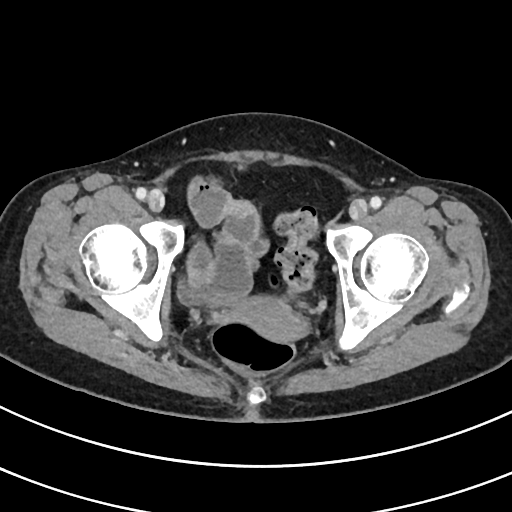

CT, abdomen/pelvis — axial view — W/L 400/40 HU — SOMATOM Force scanner — scan has 15 labeled organs (a whole-scan count: organs this slice does not pass through have no box)
Organ boxes in pixel coordinates; each row gives the top-left (x1, y1) and bottom-right (x2, y2) corners.
| organ | x1 | y1 | x2 | y2 |
|---|---|---|---|---|
| bladder | 178 | 231 | 228 | 304 |
| prostate/uterus | 230 | 296 | 308 | 342 |